Computed tomography, abdomen; axial view
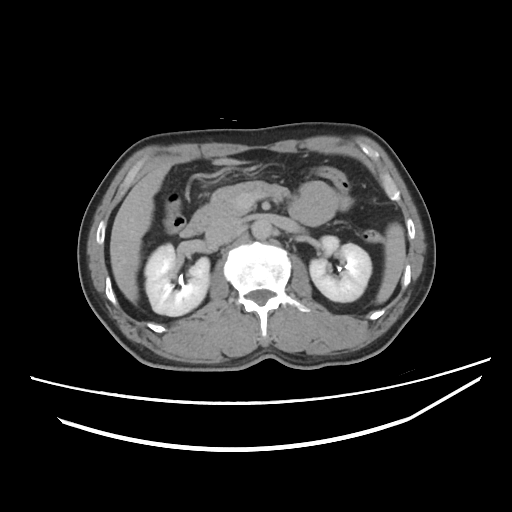
Box edges are left/top/right/bottom in pixels.
pancreas: left=209, top=181, right=293, bottom=215
liver: left=110, top=158, right=243, bottom=302
aorta: left=251, top=220, right=273, bottom=239
left kidney: left=310, top=236, right=371, bottom=302
inferior vena cava: left=205, top=218, right=242, bottom=245
duodenum: left=178, top=206, right=219, bottom=237
spleen: left=375, top=223, right=405, bottom=304
right kidney: left=145, top=243, right=210, bottom=316